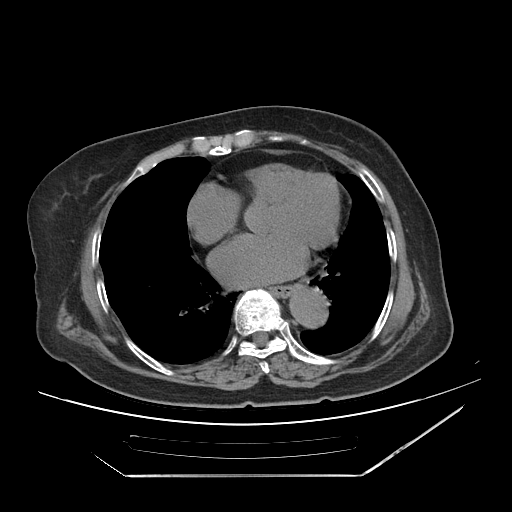 Lower-chest slice from an abdominal CT, just above the liver and spleen · Axial slice 160/163
The heart and lungs are never labeled in this dataset, so they have no box on this slice.
{"organs":{"esophagus":[271,285,293,297],"aorta":[287,284,326,325]}}